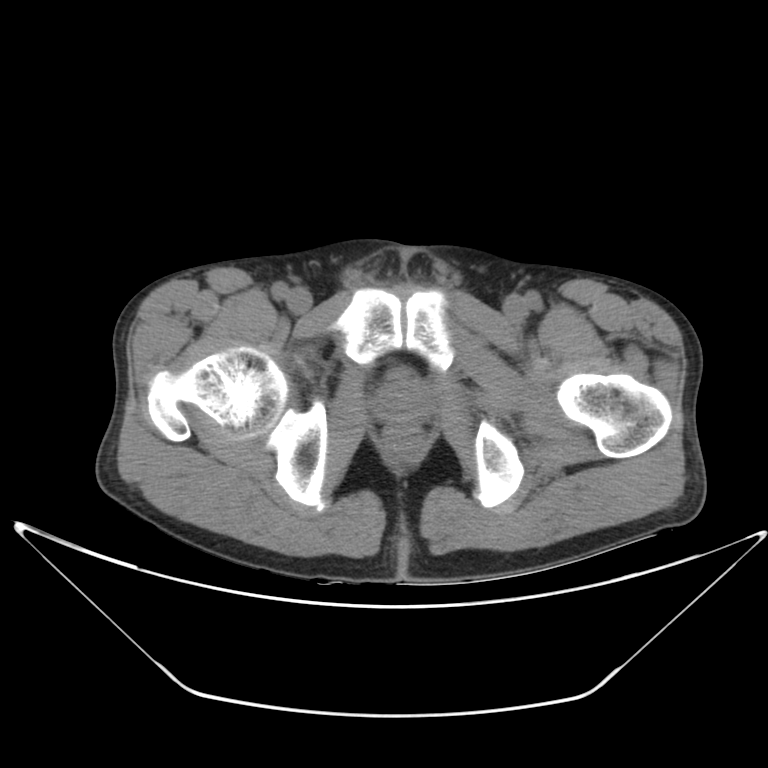
Abdominal CT — axial view — 768x768 px — scan has 15 labeled organs (a whole-scan count: organs this slice does not pass through have no box)
<organs><organ name="prostate/uterus" x1="373" y1="383" x2="426" y2="418"/></organs>